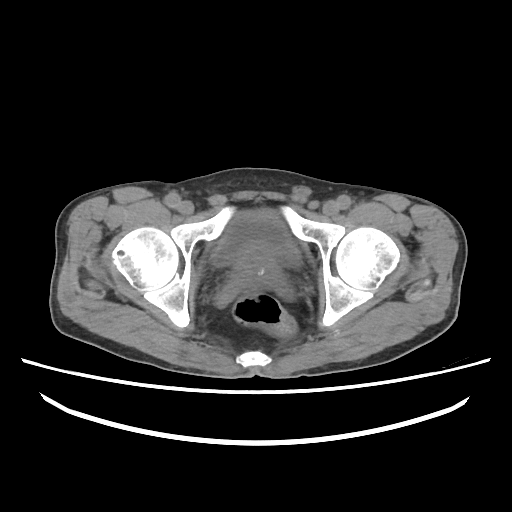 Computed tomography, abdomen — axial view — 512x512 px
Boxes are (x1, y1, x2, y2) in pixels.
Organ bounding boxes:
- prostate/uterus: (230, 250, 282, 291)
- bladder: (212, 210, 300, 267)